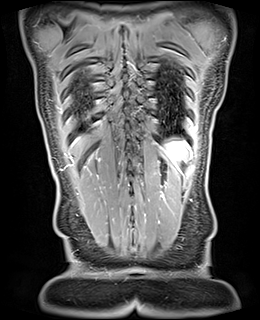

Magnetic resonance imaging, abdomen · coronal plane, index 29 · 1st–99th percentile window · 260x320 px · Prisma scanner
Box edges are left/top/right/bottom in pixels.
Organ bounding boxes:
- spleen: left=165, top=140, right=187, bottom=164